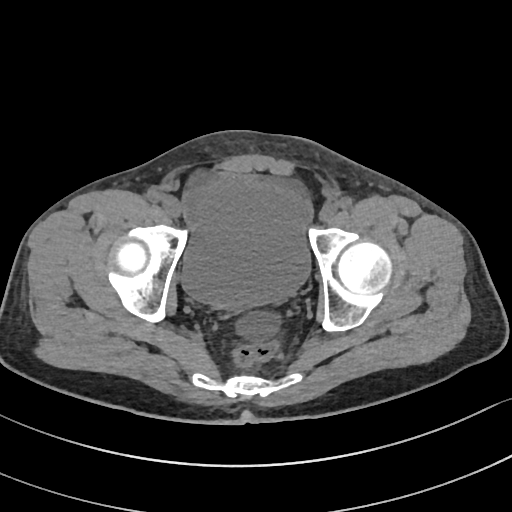 CT abdomen. axial view. soft-tissue window (W 400 / L 40). acquired on SOMATOM Force
Coordinates as <box>x1,y1,x2,y2</box> in pixels. 1 labeled organ on this slice — bladder at <box>181,177,310,308</box>.